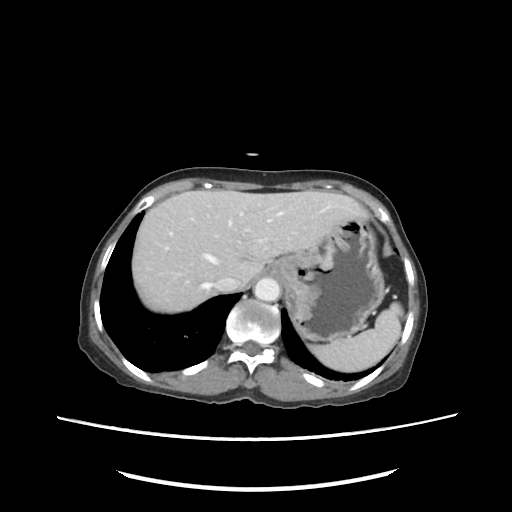 CT, abdomen/pelvis — Axial slice 76/124 — soft-tissue window — 512x512 px
{"organs":{"spleen":[308,303,401,371],"liver":[134,190,369,312],"stomach":[262,221,384,341],"aorta":[255,278,279,300],"inferior vena cava":[214,275,242,293]}}